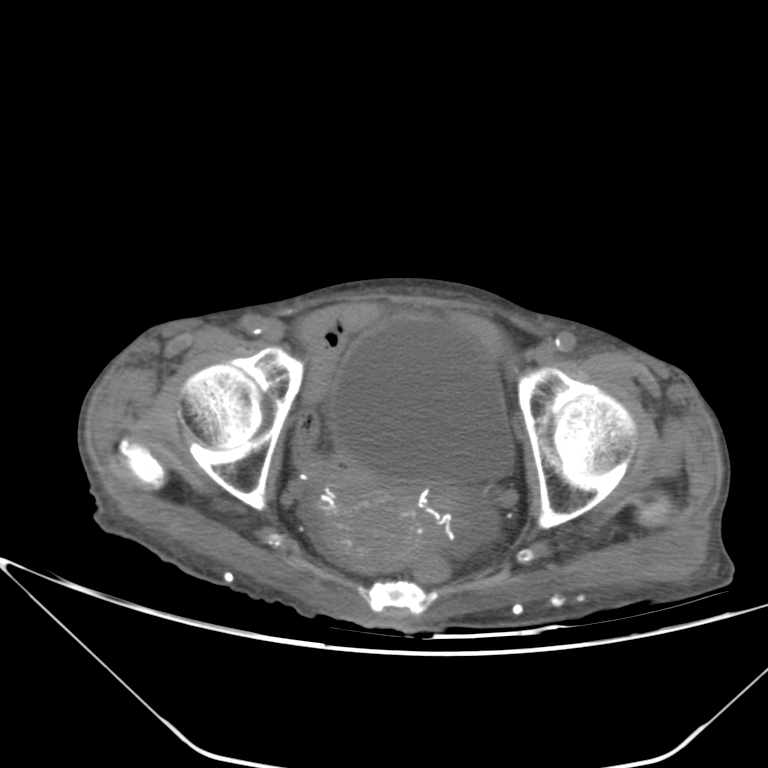 CT abdomen; Axial slice 19/88; 768x768 px
One row per box, in pixels: columns x1 and y1 give the top-left corner, x2 and y2 the bottom-right.
| organ | x1 | y1 | x2 | y2 |
|---|---|---|---|---|
| bladder | 327 | 316 | 514 | 483 |
| prostate/uterus | 314 | 478 | 452 | 570 |